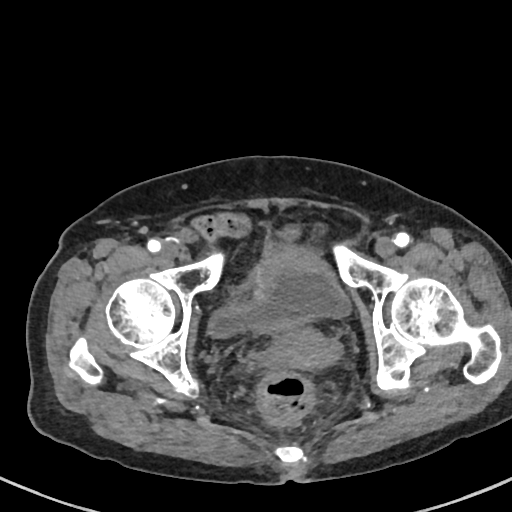

Computed tomography, abdomen. axial view. soft-tissue window. 512x512 px
Boxes are (x1, y1, x2, y2) in pixels.
Organ bounding boxes:
- bladder: (208, 249, 351, 338)
- prostate/uterus: (269, 326, 331, 371)